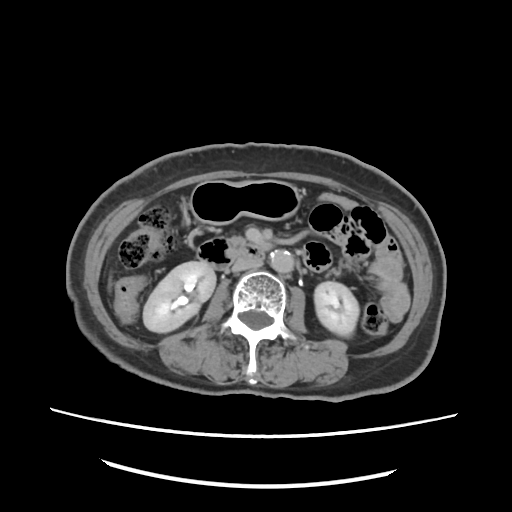
Abdominal CT — axial plane, index 55 — 512x512 px — 76-year-old female patient
Each box given as x1,y1,x2,y2.
Organ bounding boxes:
- right kidney: x1=143, y1=263, x2=214, y2=333
- left kidney: x1=314, y1=280, x2=359, y2=335
- liver: x1=107, y1=275, x2=112, y2=287
- stomach: x1=188, y1=180, x2=300, y2=224
- aorta: x1=270, y1=250, x2=294, y2=272
- inferior vena cava: x1=231, y1=259, x2=262, y2=272
- pancreas: x1=228, y1=235, x2=274, y2=251
- duodenum: x1=197, y1=238, x2=264, y2=268